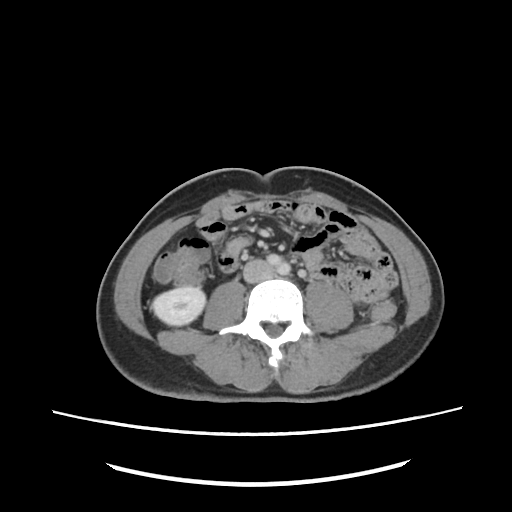

CT abdomen · axial view
Each box given as x1,y1,x2,y2. Labeled organs on this slice: right kidney at x1=152, y1=286, x2=205, y2=325, aorta at x1=267, y1=254, x2=290, y2=274, inferior vena cava at x1=243, y1=259, x2=274, y2=282.